CT abdomen. Axial slice 177/202. 512x512 px
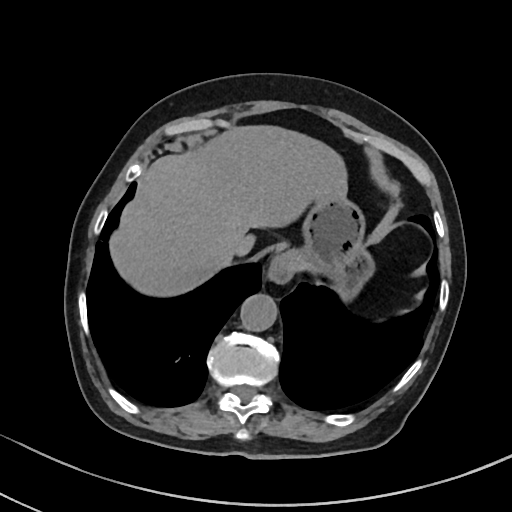

Each box given as x1,y1,x2,y2. Labeled organs on this slice: esophagus at x1=268, y1=257, x2=292, y2=280, liver at x1=109, y1=125, x2=348, y2=295, stomach at x1=280, y1=191, x2=375, y2=298, aorta at x1=240, y1=293, x2=278, y2=330, inferior vena cava at x1=227, y1=239, x2=249, y2=258.